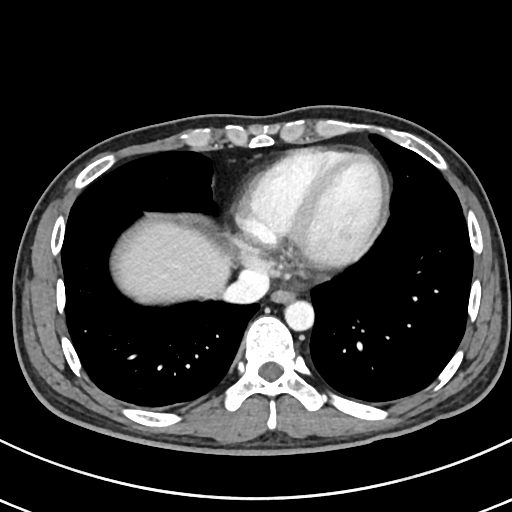 Abdominal CT; axial view; soft-tissue window (W 400 / L 40); SOMATOM Force scanner
Box edges are left/top/right/bottom in pixels.
esophagus: left=271, top=288, right=295, bottom=302
liver: left=119, top=219, right=230, bottom=302
aorta: left=285, top=300, right=314, bottom=330
inferior vena cava: left=223, top=269, right=269, bottom=303